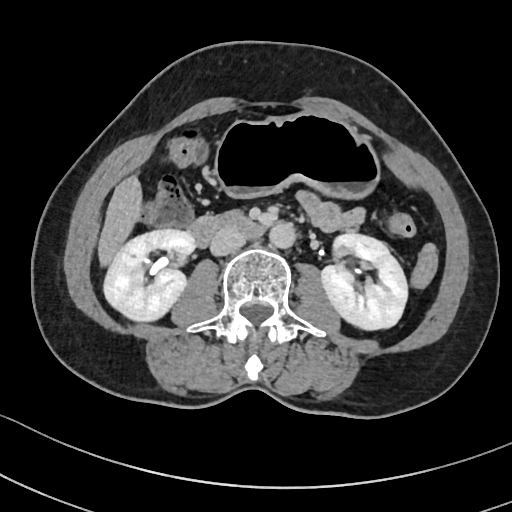 CT abdomen; axial view; soft-tissue window; 512x512 px
{"organs":{"inferior vena cava":[210,228,246,255],"left kidney":[321,232,407,330],"duodenum":[188,211,265,246],"stomach":[216,113,379,197],"right kidney":[103,229,194,321],"aorta":[269,223,295,248],"liver":[97,174,142,266]}}